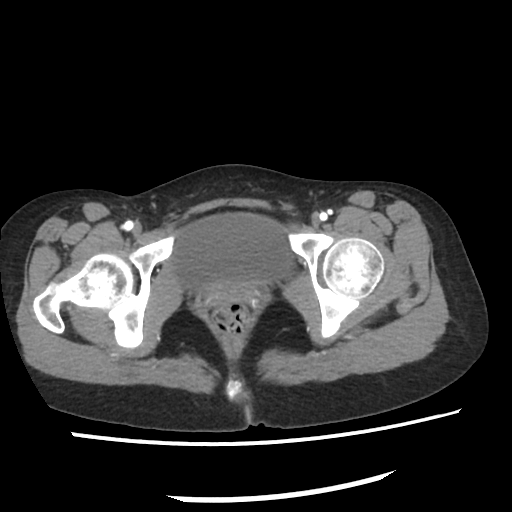 CT, abdomen/pelvis. axial view. 512x512 px
{"organs":{"bladder":[172,212,290,286]}}